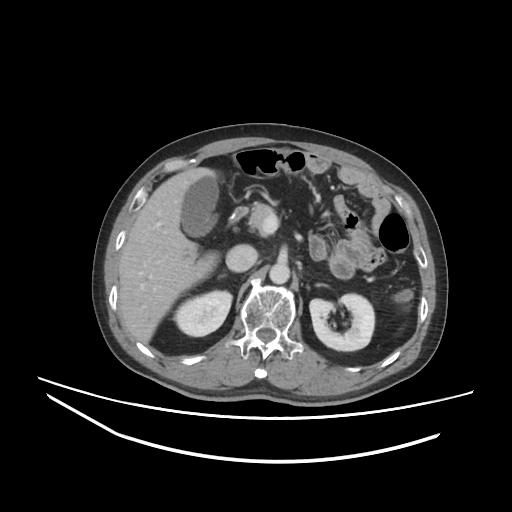
Abdominal CT; Axial slice 66/128
Boxes: x1:y1:x2:y2 in pixels.
right kidney: 173:290:232:336
left kidney: 309:294:374:350
gall bladder: 181:176:218:236
liver: 118:167:218:343
aorta: 269:262:289:283
inferior vena cava: 226:244:257:272
pancreas: 248:203:273:229
duodenum: 235:207:247:219